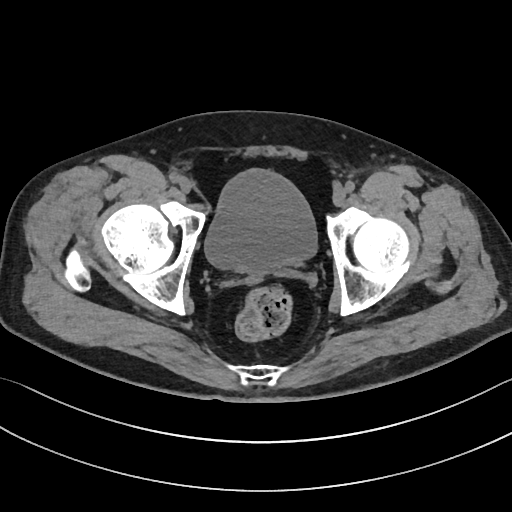 CT, abdomen/pelvis · axial view · SOMATOM Force scanner · 15 organs annotated in this scan (counted over the whole 3D scan, not this slice; an organ is boxed only where this slice passes through it)
<organs><organ name="bladder" x1="204" y1="168" x2="316" y2="274"/></organs>